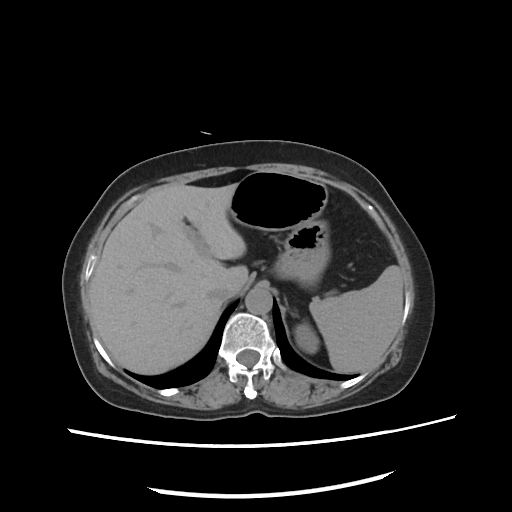 CT abdomen · axial plane, index 73 · soft-tissue window (W 400 / L 40) · 512x512 px · scan has 15 labeled organs (that count is for the whole scan; organs this slice misses have no box)
{"organs":{"spleen":[308,265,401,371],"left kidney":[295,324,320,354],"liver":[89,183,248,373],"stomach":[232,173,328,281],"aorta":[247,288,271,314],"inferior vena cava":[206,288,230,300]}}